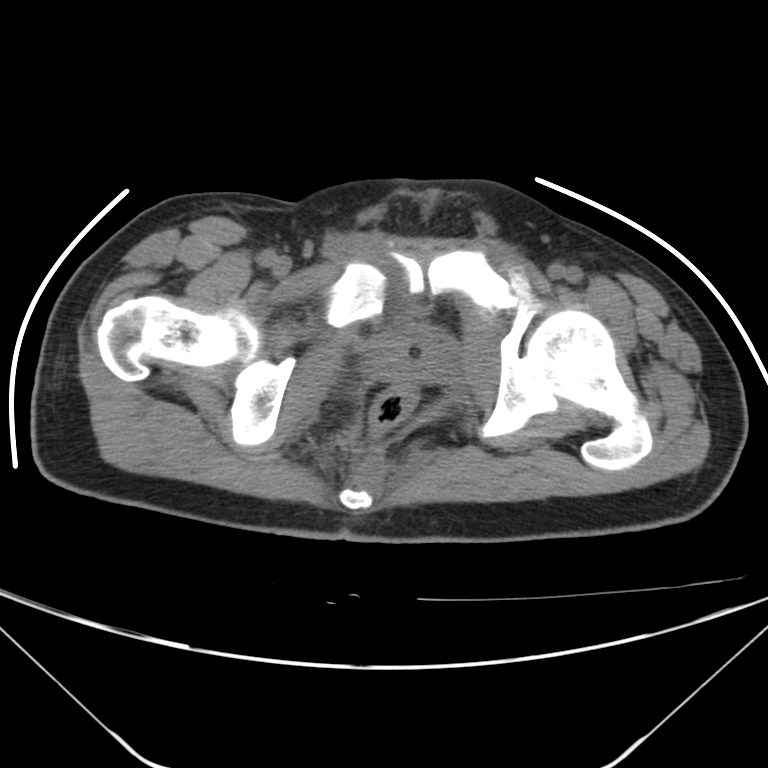

Computed tomography, abdomen. axial view. 24-year-old male patient
Coordinates as <box>x1,y1,x2,y2</box> in pixels.
prostate/uterus: <box>369,328,455,378</box>